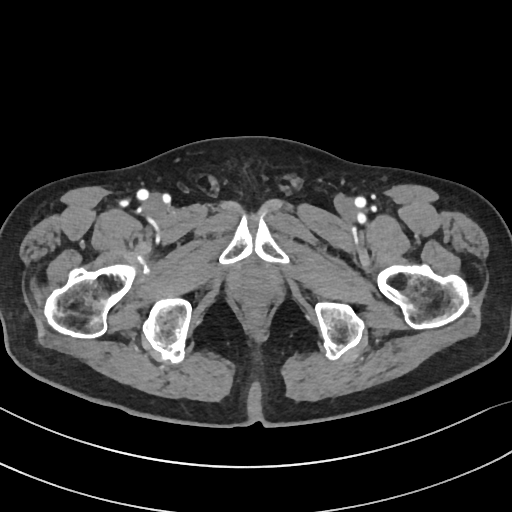

Computed tomography, abdomen — axial plane, index 18 — W/L 400/40 HU — SOMATOM Force scanner — 15 organs annotated in this scan (a whole-scan count: organs this slice does not pass through have no box)
Each box given as x1,y1,x2,y2.
Organ bounding boxes:
- prostate/uterus: x1=237, y1=268, x2=272, y2=298